Computed tomography, abdomen · axial plane, index 272 · abdomen soft-tissue window
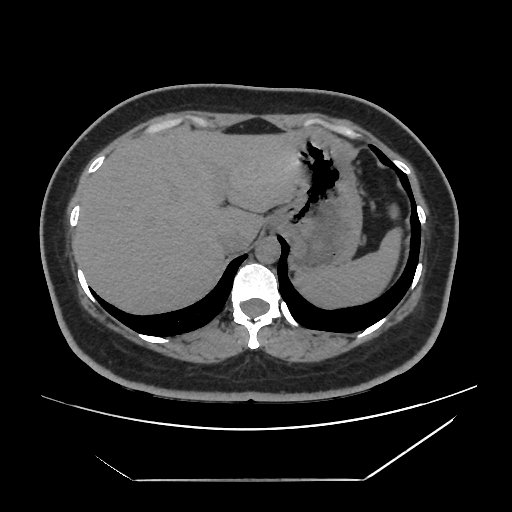

{"organs":{"liver":[74,128,307,315],"aorta":[255,236,280,263],"inferior vena cava":[219,232,251,253],"spleen":[293,201,400,311],"stomach":[273,130,361,271]}}